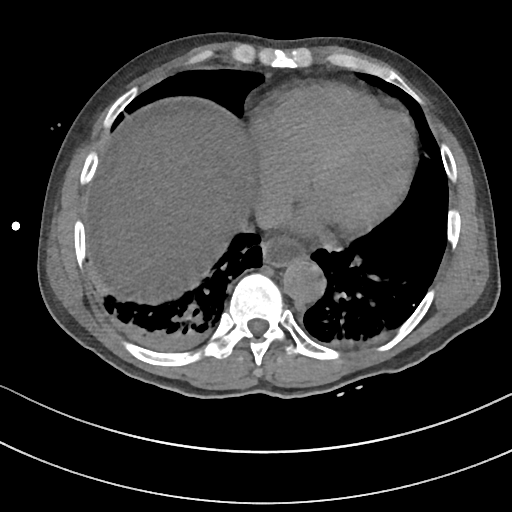 CT abdomen. axial plane, index 227. abdomen soft-tissue window. 512x512 px
<organs><organ name="liver" x1="97" y1="110" x2="245" y2="300"/><organ name="esophagus" x1="261" y1="238" x2="307" y2="266"/><organ name="inferior vena cava" x1="254" y1="195" x2="289" y2="229"/><organ name="aorta" x1="283" y1="260" x2="326" y2="302"/></organs>